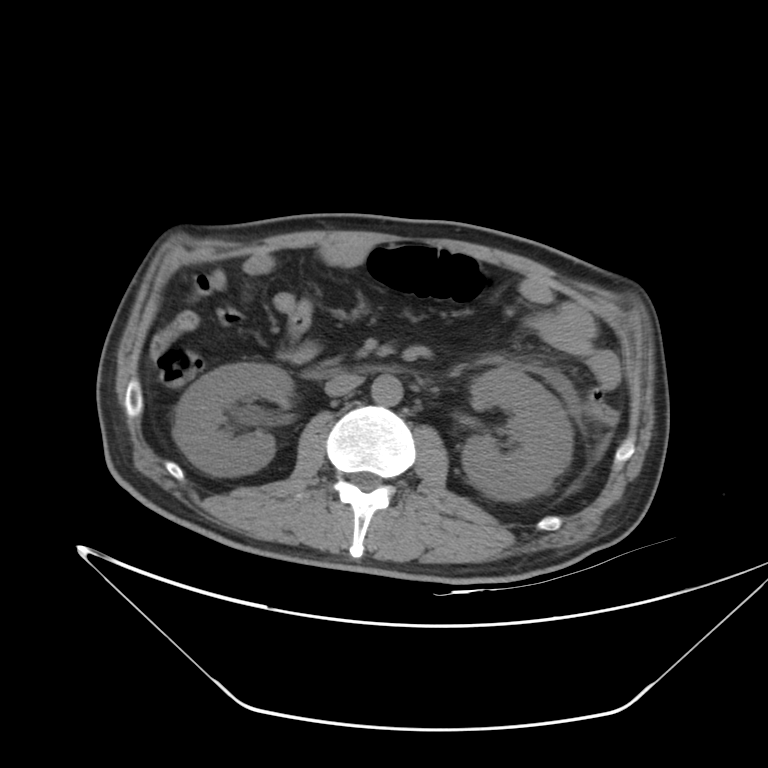
Computed tomography, abdomen; axial plane, index 63; W/L 400/40 HU; Brilliance16 scanner; scan has 15 labeled organs (a whole-scan count: organs this slice does not pass through have no box)
Bounding boxes in pixels, one row per box: x1, y1 is the top-left corner and x2, y2 the bottom-right.
| organ | x1 | y1 | x2 | y2 |
|---|---|---|---|---|
| right kidney | 173 | 363 | 294 | 476 |
| left kidney | 461 | 369 | 573 | 500 |
| aorta | 371 | 374 | 402 | 406 |
| inferior vena cava | 324 | 374 | 364 | 396 |
| duodenum | 303 | 365 | 407 | 380 |